Abdominal CT; Axial slice 87/291; scan has 15 labeled organs (counted over the whole 3D scan, not this slice; an organ is boxed only where this slice passes through it)
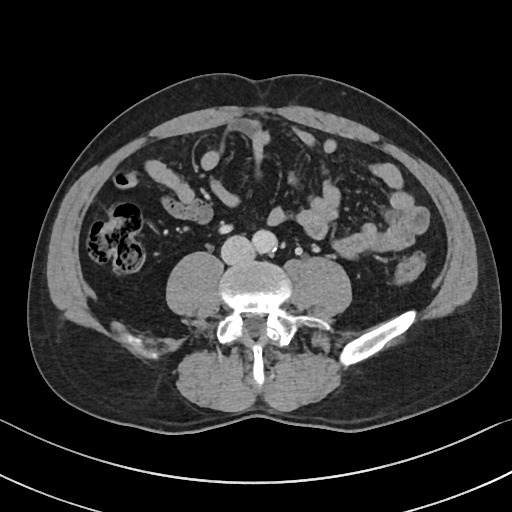
{"organs":{"aorta":[252,230,277,253],"inferior vena cava":[221,235,254,264]}}